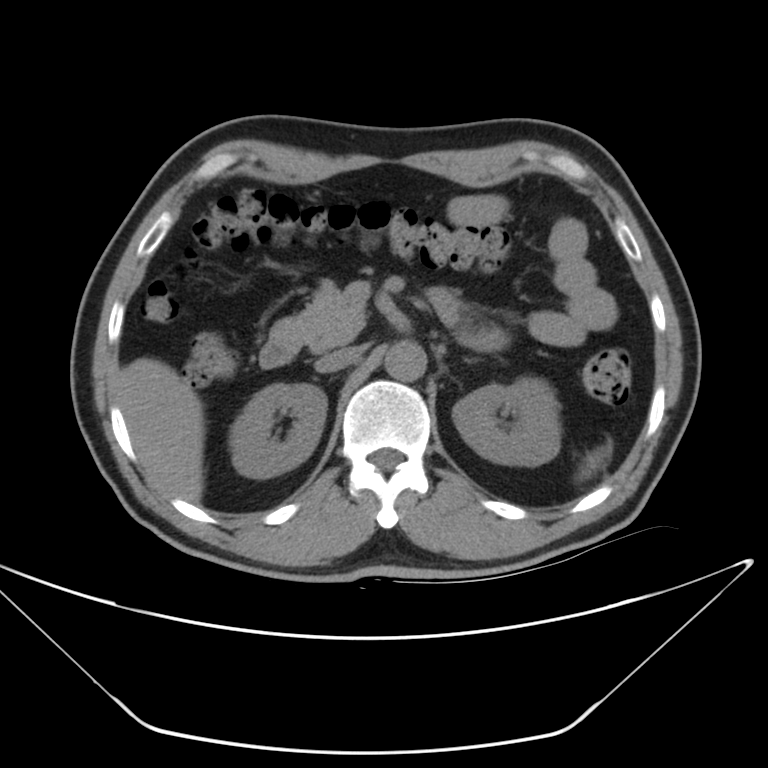
CT, abdomen/pelvis; axial view; soft-tissue window; Brilliance16 scanner
Boxes: x1 y1 x2 y2 (pixel coords, space-separated).
Organ bounding boxes:
- spleen: 574 442 612 481
- right kidney: 231 382 326 475
- left kidney: 453 376 558 468
- liver: 116 356 206 501
- aorta: 386 339 428 381
- inferior vena cava: 315 351 359 370
- pancreas: 269 280 367 351
- left adrenal gland: 466 359 476 361
- duodenum: 259 289 511 367